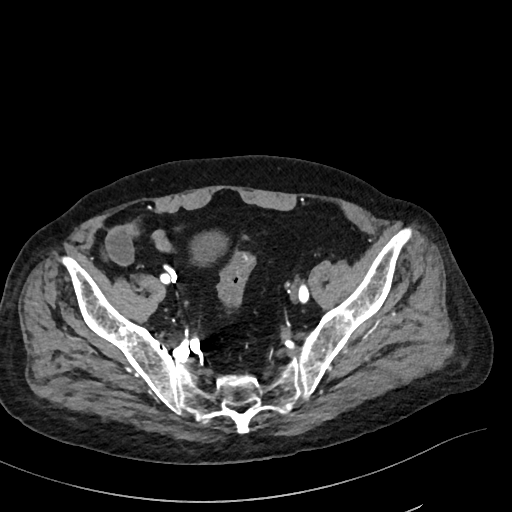

Computed tomography, abdomen · axial view · soft-tissue window (W 400 / L 40) · 512x512 px
{"organs":{"bladder":[191,232,226,263]}}